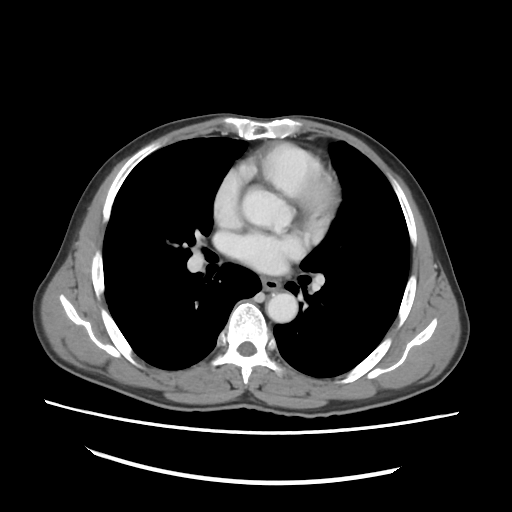 Chest-level slice from an abdominal CT that extends up into the chest — axial view — 512x512 px
On a slice this high in the chest, this dataset labels only the esophagus and the aorta, and each is boxed only where it is labeled; the heart, lungs and other chest structures are not labeled.
Box edges are left/top/right/bottom in pixels.
esophagus: left=262, top=278, right=280, bottom=291
aorta: left=266, top=292, right=297, bottom=322